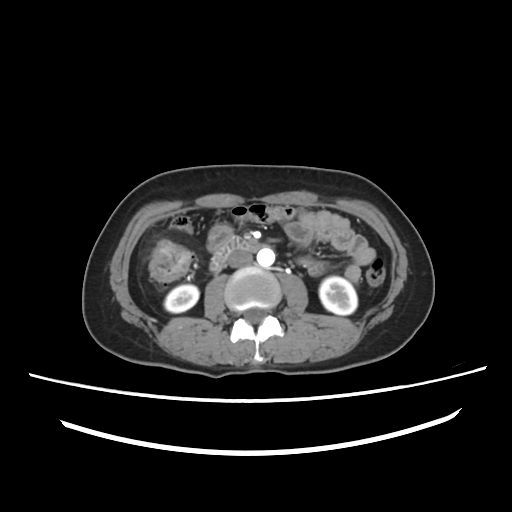
CT, abdomen/pelvis. axial view. soft-tissue window (W 400 / L 40). 512x512 px. 45-year-old female patient
<organs><organ name="right kidney" x1="164" y1="284" x2="198" y2="312"/><organ name="left kidney" x1="319" y1="277" x2="357" y2="314"/><organ name="aorta" x1="257" y1="248" x2="275" y2="266"/><organ name="inferior vena cava" x1="227" y1="250" x2="252" y2="267"/><organ name="duodenum" x1="210" y1="236" x2="262" y2="272"/></organs>